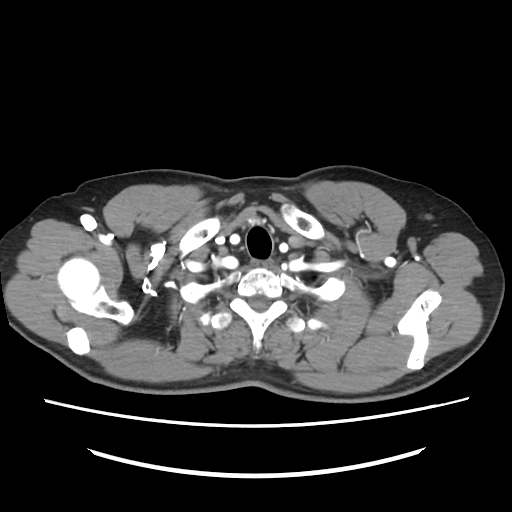
Chest-level slice from an abdominal CT that extends up into the chest · axial view
On a slice this high in the chest, this dataset labels only the esophagus and the aorta, and each is boxed only where it is labeled; the heart, lungs and other chest structures are not labeled.
{"organs":{"esophagus":[250,259,272,267]}}